CT abdomen · axial view · soft-tissue window
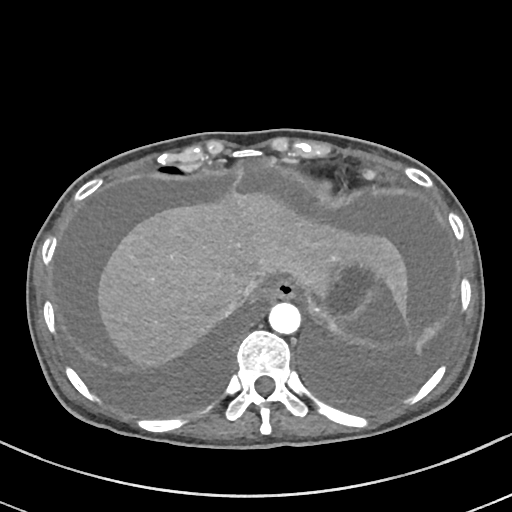
Boxes are (x1, y1, x2, y2) in pixels. 5 labeled organs on this slice — esophagus at (269, 279, 297, 299); liver at (97, 191, 409, 367); stomach at (316, 259, 378, 323); aorta at (269, 302, 301, 334); inferior vena cava at (227, 281, 255, 309).